CT, abdomen/pelvis — axial view — 512x512 px
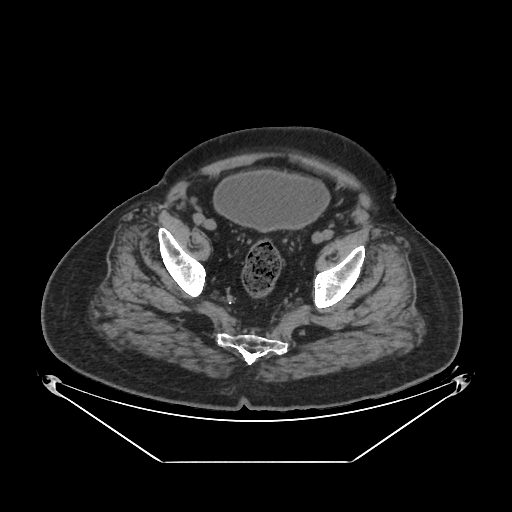

<organs><organ name="bladder" x1="213" y1="169" x2="330" y2="230"/></organs>